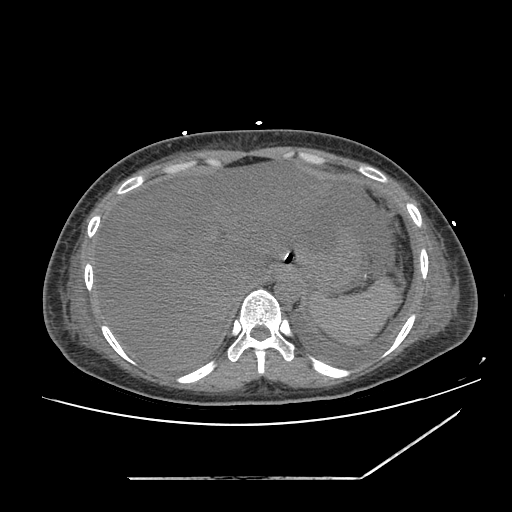

Abdominal CT — axial view — W/L 400/40 HU — SOMATOM Force scanner
{"organs":{"aorta":[275,273,302,303],"liver":[93,160,340,369],"inferior vena cava":[233,272,257,296],"spleen":[308,277,397,347],"stomach":[271,226,360,288]}}